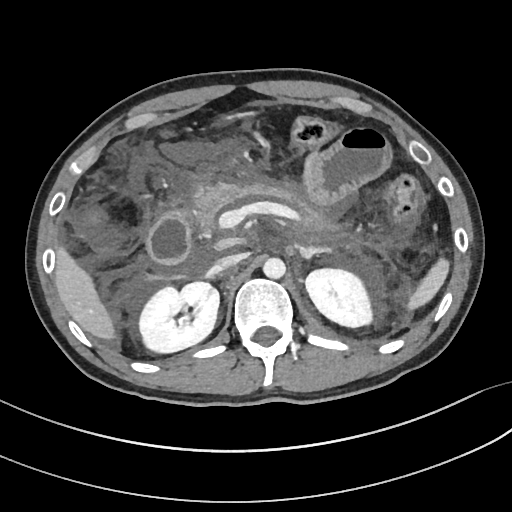
Computed tomography, abdomen · axial view · soft-tissue window · 512x512 px
<organs><organ name="spleen" x1="407" y1="258" x2="449" y2="310"/><organ name="right kidney" x1="137" y1="282" x2="219" y2="353"/><organ name="left kidney" x1="305" y1="267" x2="375" y2="326"/><organ name="liver" x1="55" y1="248" x2="117" y2="338"/><organ name="aorta" x1="263" y1="256" x2="285" y2="278"/><organ name="inferior vena cava" x1="210" y1="254" x2="243" y2="273"/><organ name="pancreas" x1="190" y1="182" x2="294" y2="235"/><organ name="left adrenal gland" x1="302" y1="245" x2="330" y2="259"/><organ name="duodenum" x1="147" y1="213" x2="189" y2="264"/></organs>